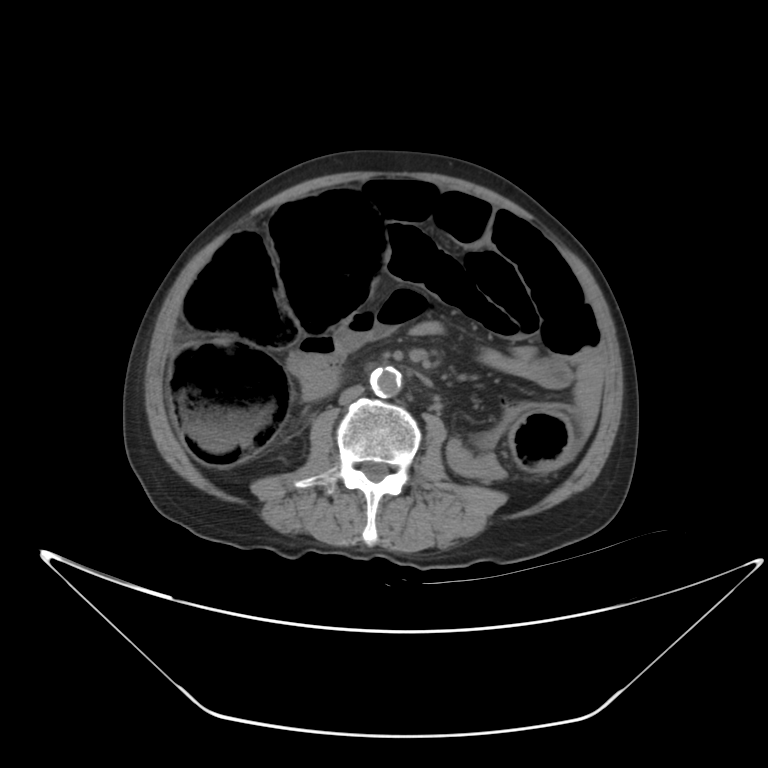 Abdominal CT; Axial slice 46/95; soft-tissue window (W 400 / L 40); 64-year-old male patient; Brilliance16 scanner
Boxes: x1 y1 x2 y2 (pixel coords, space-separated). Labeled organs on this slice: aorta at 370 368 401 397, inferior vena cava at 339 385 364 404.